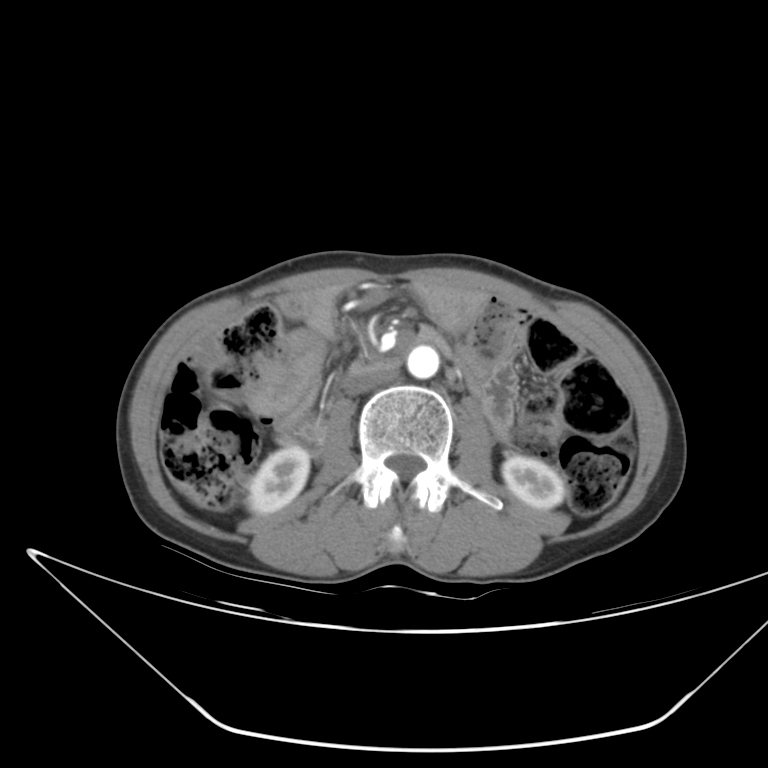 Abdominal CT. axial view. W/L 400/40 HU. Brilliance16 scanner
Bounding boxes as [x1, y1, x2, y2] in pixel coordinates.
right kidney: [247, 445, 309, 514]
left kidney: [502, 455, 565, 508]
aorta: [407, 345, 439, 378]
inferior vena cava: [345, 365, 397, 395]
duodenum: [281, 357, 398, 449]